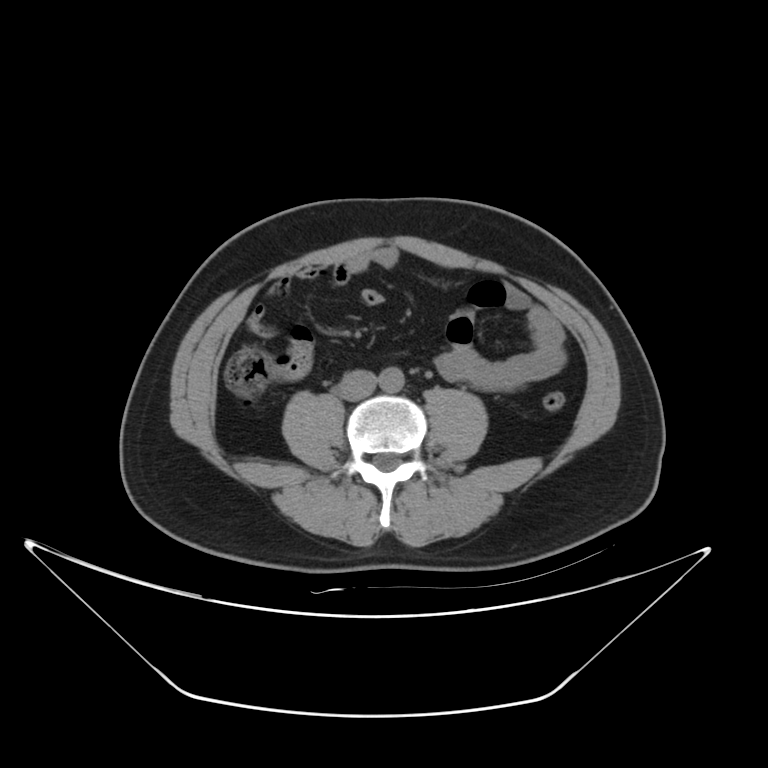 CT, abdomen/pelvis — axial plane, index 51 — 15 organs annotated in this scan (a whole-scan count: organs this slice does not pass through have no box)
{"organs":{"aorta":[379,367,404,392],"inferior vena cava":[338,370,375,400]}}